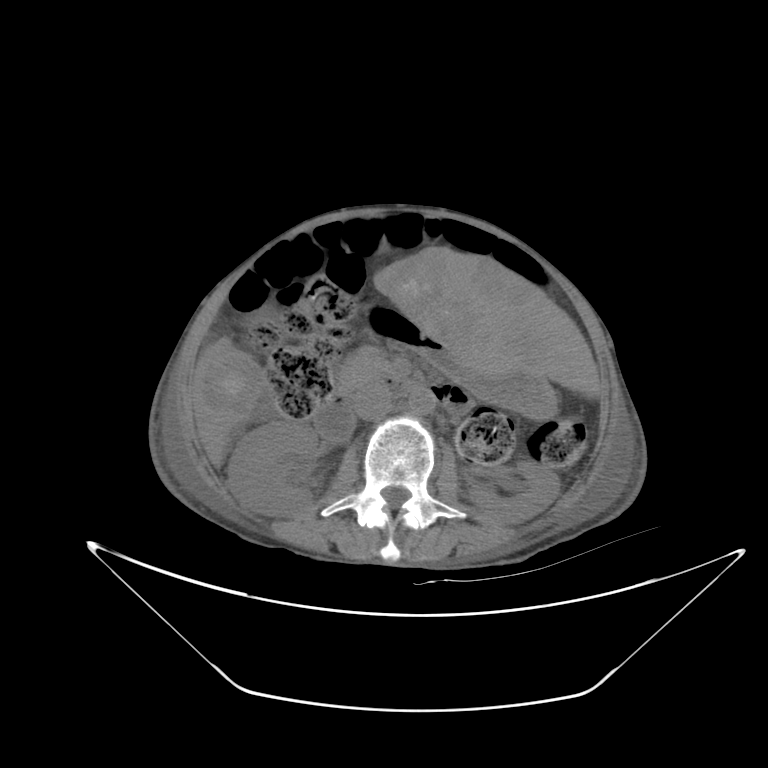

CT, abdomen/pelvis. axial view. 768x768 px. 56-year-old male patient
<organs><organ name="right kidney" x1="228" y1="419" x2="318" y2="515"/><organ name="left kidney" x1="469" y1="462" x2="561" y2="523"/><organ name="liver" x1="192" y1="247" x2="600" y2="465"/><organ name="stomach" x1="365" y1="303" x2="558" y2="416"/><organ name="aorta" x1="408" y1="387" x2="436" y2="415"/><organ name="inferior vena cava" x1="352" y1="384" x2="392" y2="420"/><organ name="pancreas" x1="337" y1="347" x2="391" y2="395"/><organ name="duodenum" x1="313" y1="374" x2="465" y2="441"/></organs>